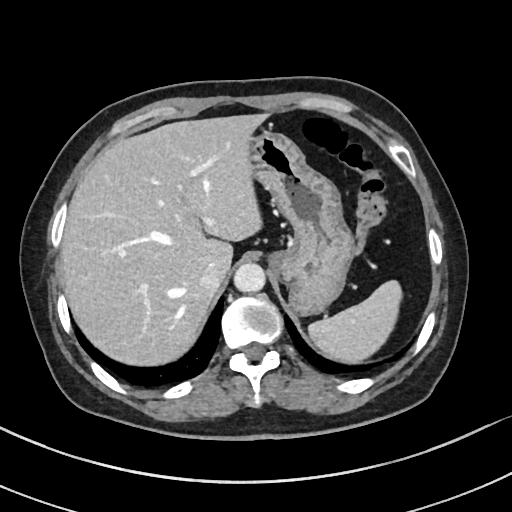
CT, abdomen/pelvis. axial view. 512x512 px
Box edges are left/top/right/bottom in pixels.
stomach: left=251, top=131, right=357, bottom=313
inferior vena cava: left=199, top=262, right=224, bottom=290
aorta: left=235, top=263, right=266, bottom=293
liver: left=61, top=113, right=268, bottom=366
spleen: left=309, top=281, right=400, bottom=360